CT, abdomen/pelvis. axial view. W/L 400/40 HU
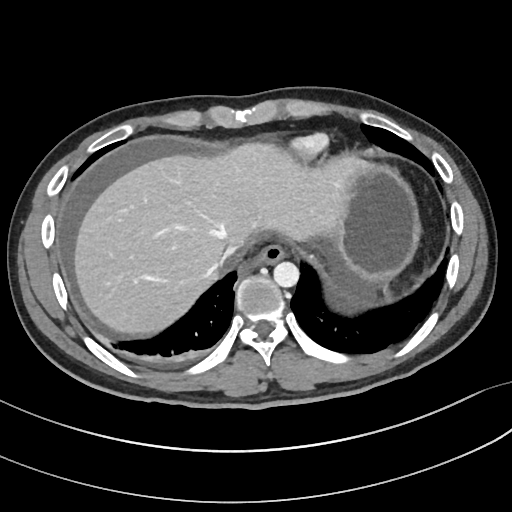

Each box given as x1,y1,x2,y2.
inferior vena cava: x1=222, y1=243, x2=240, y2=259
stomach: x1=336, y1=163, x2=419, y2=279
esophagus: x1=252, y1=243, x2=286, y2=266
aorta: x1=273, y1=262, x2=299, y2=287
liver: x1=75, y1=144, x2=363, y2=332